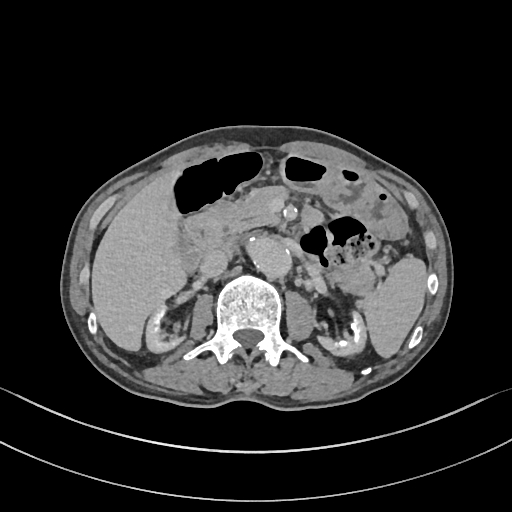 Computed tomography, abdomen. axial view. W/L 400/40 HU
Boxes: x1:y1:x2:y2 in pixels.
spleen: 363:256:426:358
right kidney: 145:305:181:352
left kidney: 319:312:366:356
gall bladder: 178:234:201:270
liver: 91:171:187:350
stomach: 279:153:406:239
aorta: 247:238:291:278
inferior vena cava: 200:249:228:277
pancreas: 205:186:287:234
duodenum: 183:213:225:255